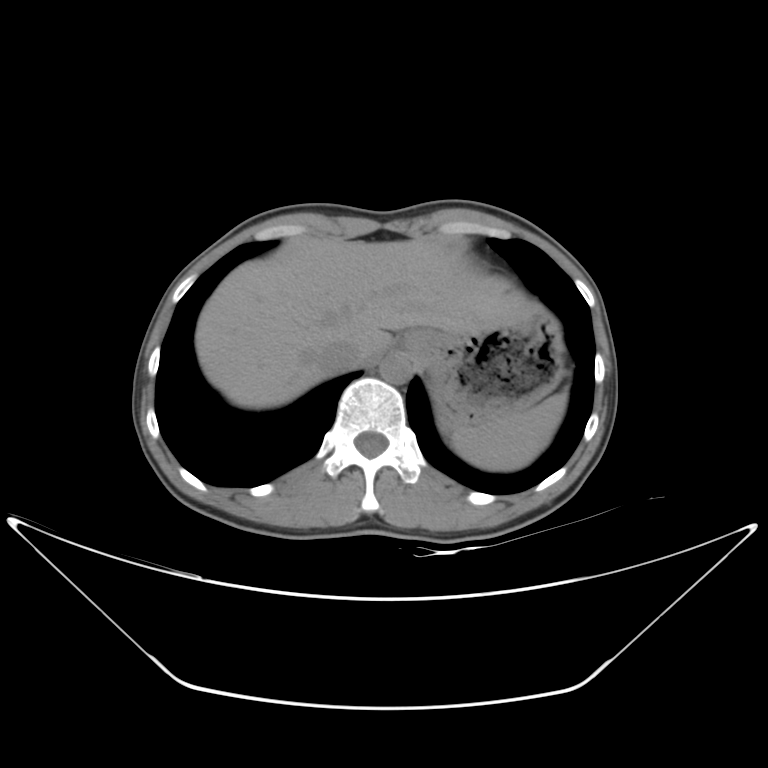

CT abdomen · Axial slice 78/82
Coordinates as <box>x1,y1,x2,y2</box> in pixels. 5 labeled organs on this slice — aorta at <box>378,352,413,384</box>; stomach at <box>402,309,563,432</box>; spleen at <box>452,392,566,470</box>; inferior vena cava at <box>318,340,363,373</box>; liver at <box>196,236,538,408</box>.